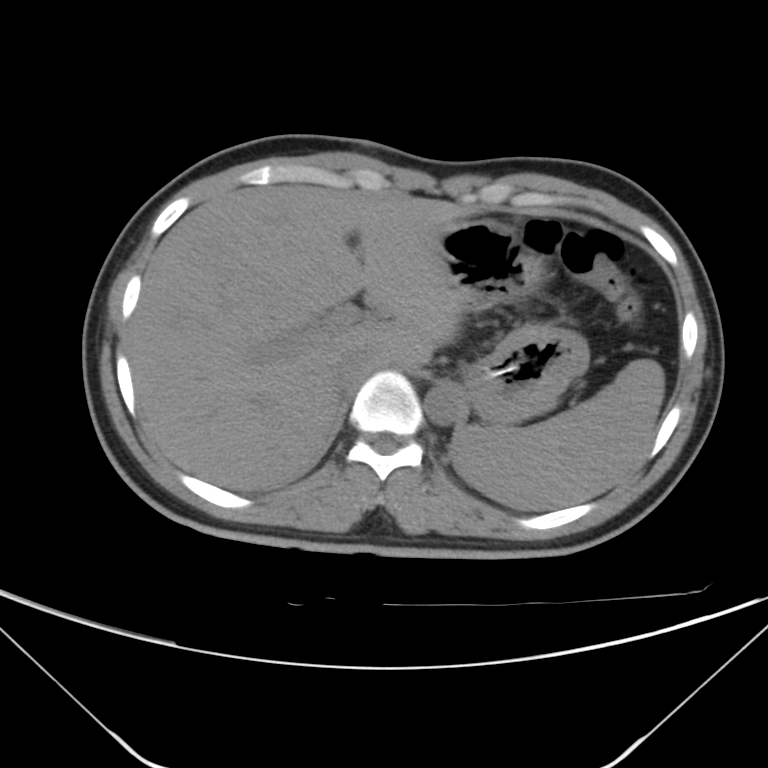 CT, abdomen/pelvis. Axial slice 81/100. soft-tissue window (W 400 / L 40). acquired on Brilliance16
Bounding boxes as [x1, y1, x2, y2] in pixel coordinates.
Organ bounding boxes:
- spleen: [456, 360, 664, 512]
- inferior vena cava: [335, 351, 380, 390]
- liver: [127, 184, 461, 492]
- stomach: [433, 220, 588, 425]
- aorta: [425, 382, 464, 425]